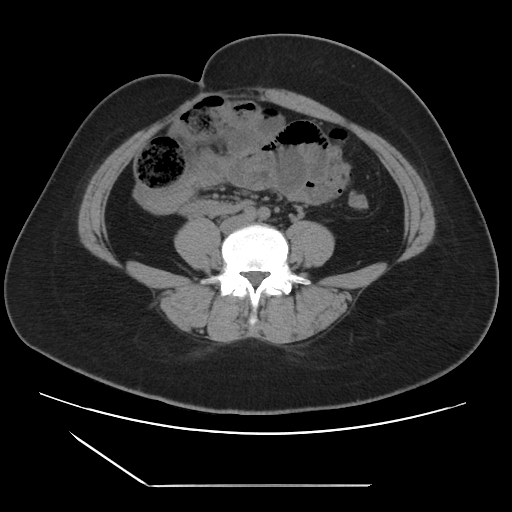

CT abdomen; Axial slice 37/88; abdomen soft-tissue window
Boxes: x1:y1:x2:y2 in pixels. 1 labeled organ on this slice — inferior vena cava at 221:215:249:231.